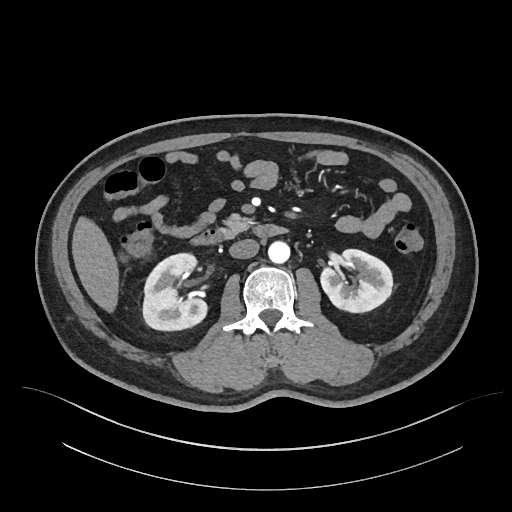 CT abdomen. axial view. soft-tissue window. scan has 15 labeled organs (a whole-scan count: organs this slice does not pass through have no box)
One row per box, in pixels: columns x1 and y1 give the top-left corner, x2 and y2 the bottom-right.
| organ | x1 | y1 | x2 | y2 |
|---|---|---|---|---|
| right kidney | 143 | 253 | 205 | 329 |
| left kidney | 320 | 249 | 392 | 311 |
| liver | 72 | 219 | 117 | 311 |
| aorta | 268 | 240 | 290 | 262 |
| inferior vena cava | 230 | 239 | 259 | 258 |
| pancreas | 227 | 215 | 249 | 230 |
| duodenum | 192 | 224 | 285 | 244 |